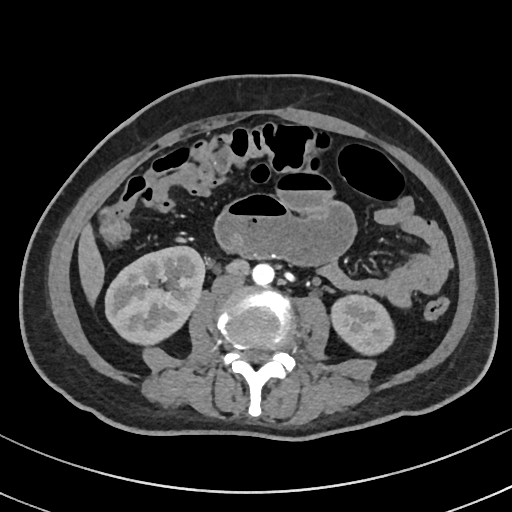

Abdominal CT; Axial slice 101/191; soft-tissue window
Organ boxes in pixel coordinates; each row gives the top-left (x1, y1) and bottom-right (x2, y2) corners.
| organ | x1 | y1 | x2 | y2 |
|---|---|---|---|---|
| right kidney | 105 | 246 | 203 | 342 |
| left kidney | 331 | 295 | 393 | 354 |
| liver | 78 | 228 | 104 | 299 |
| aorta | 252 | 263 | 275 | 285 |
| inferior vena cava | 212 | 274 | 245 | 295 |